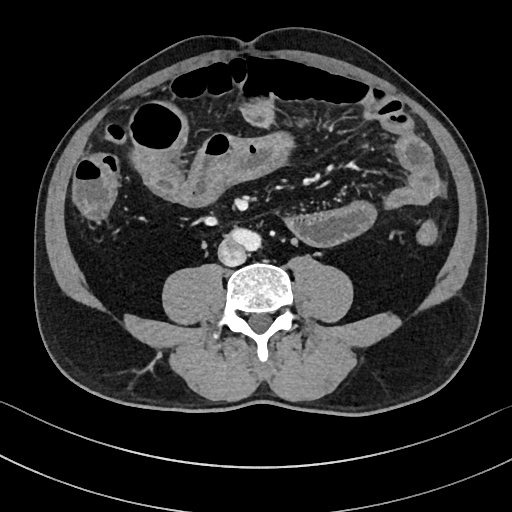 Computed tomography, abdomen; axial plane, index 103; soft-tissue window; scan has 15 labeled organs (that count is for the whole scan; organs this slice misses have no box)
<organs><organ name="inferior vena cava" x1="218" y1="238" x2="246" y2="265"/></organs>